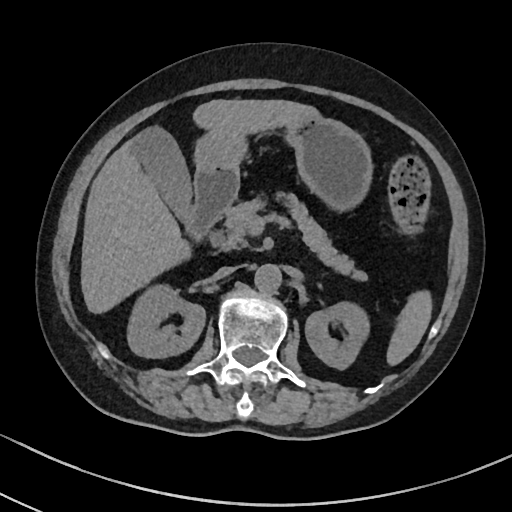

CT abdomen; axial view; 512x512 px; SOMATOM Force scanner
Boxes: x1:y1:x2:y2 in pixels.
Organ bounding boxes:
- stomach: 194:114:372:211
- pancreas: 209:192:367:281
- gall bladder: 129:127:191:220
- right kidney: 127:283:205:357
- duodenum: 183:169:240:241
- aorta: 255:264:282:293
- spleen: 386:290:432:365
- left kidney: 305:301:369:369
- liver: 81:99:318:313
- inferior vena cava: 216:266:235:277